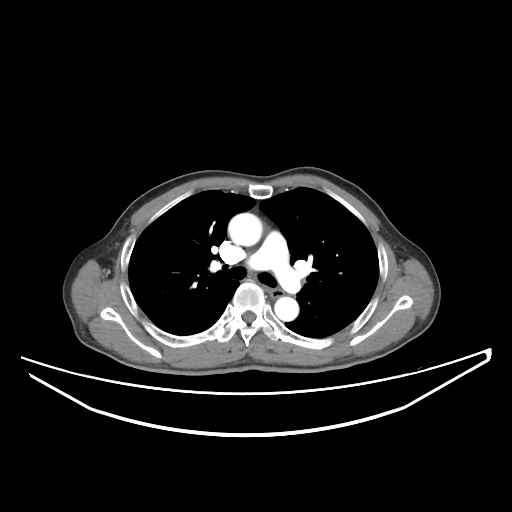
Chest-level CT slice, above the liver and spleen. axial view
At this level of the chest no structure but the esophagus and the aorta has a label in this dataset, and those two are boxed only where they are labeled.
{"organs":{"esophagus":[261,285,288,297],"aorta":[[228,213,262,246],[274,297,298,321]]}}